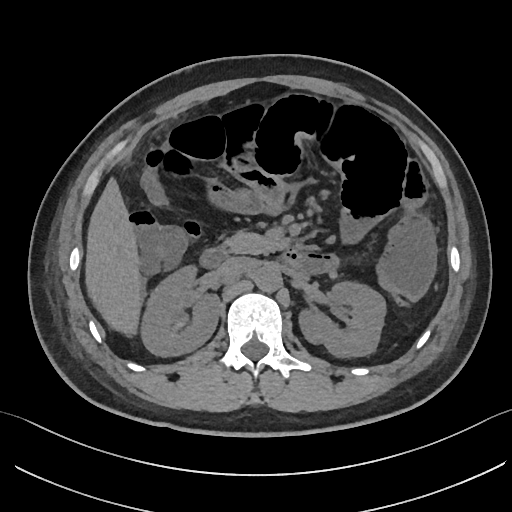 CT, abdomen/pelvis. axial plane, index 154
One row per box, in pixels: columns x1 and y1 give the top-left corner, x2 and y2 the bottom-right.
| organ | x1 | y1 | x2 | y2 |
|---|---|---|---|---|
| right kidney | 143 | 267 | 219 | 356 |
| left kidney | 297 | 282 | 385 | 357 |
| liver | 85 | 176 | 142 | 334 |
| aorta | 254 | 266 | 282 | 292 |
| inferior vena cava | 218 | 257 | 254 | 276 |
| pancreas | 223 | 231 | 282 | 254 |
| duodenum | 199 | 246 | 302 | 268 |